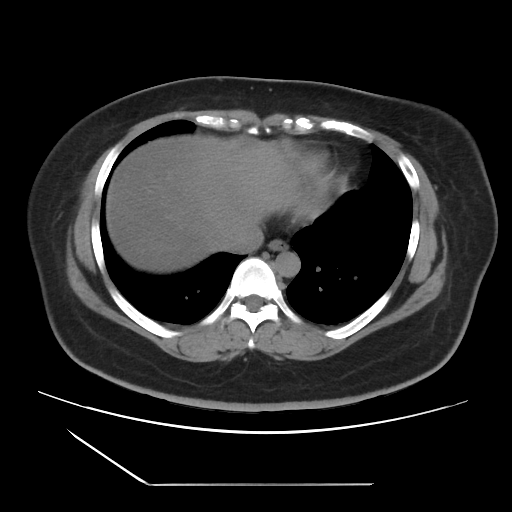 CT abdomen; Axial slice 82/88; 512x512 px
Bounding boxes as [x1, y1, x2, y2] in pixel coordinates.
esophagus: [268, 239, 288, 250]
liver: [106, 135, 300, 272]
aorta: [274, 251, 300, 277]
inferior vena cava: [226, 227, 263, 253]